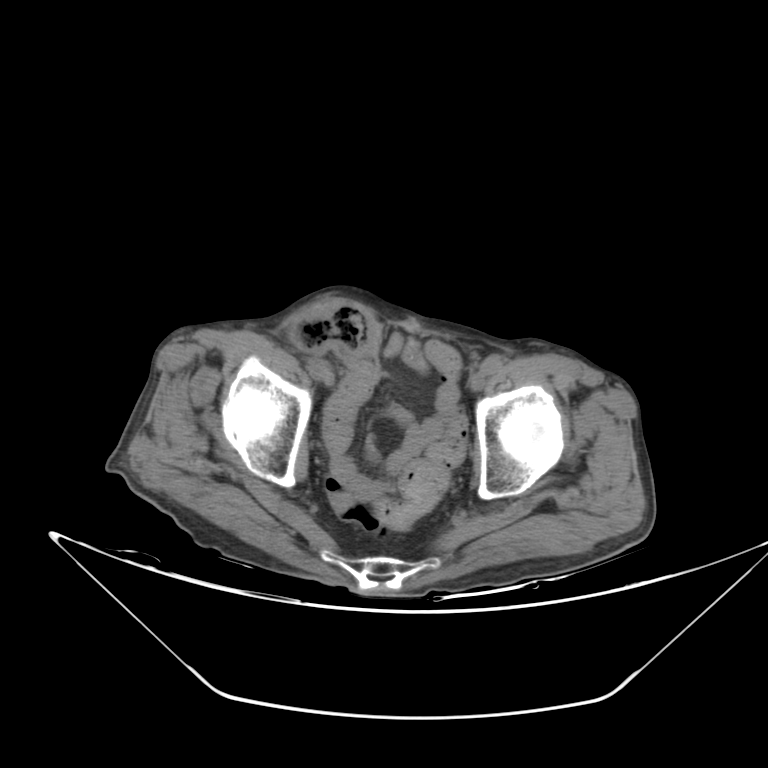 CT abdomen — axial view — male patient aged 90 or older
{"organs":{"bladder":[406,343,417,361]}}